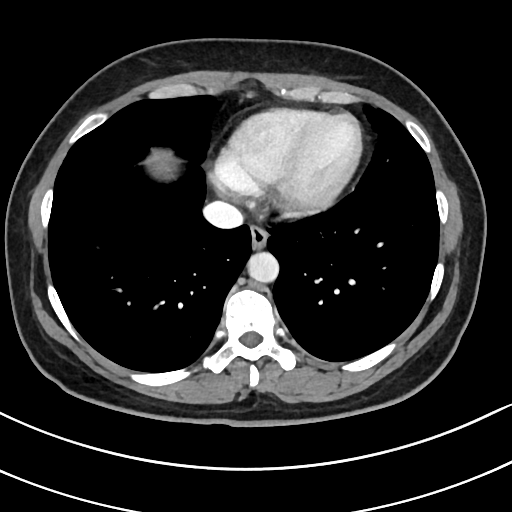
CT of the abdomen reaching into the lower chest, slice just above the liver and spleen — Axial slice 198/206 — soft-tissue window — scan has 15 labeled organs (counted over the whole 3D scan, not this slice; an organ is boxed only where this slice passes through it)
The heart and lungs are never labeled in this dataset, so they have no box on this slice.
Boxes are (x1, y1, x2, y2) in pixels.
Organ bounding boxes:
- esophagus: (250, 226, 268, 249)
- aorta: (247, 251, 279, 282)
- inferior vena cava: (203, 201, 243, 229)